CT, abdomen/pelvis · axial view · 512x512 px · 15 organs annotated in this scan (that count is for the whole scan; organs this slice misses have no box)
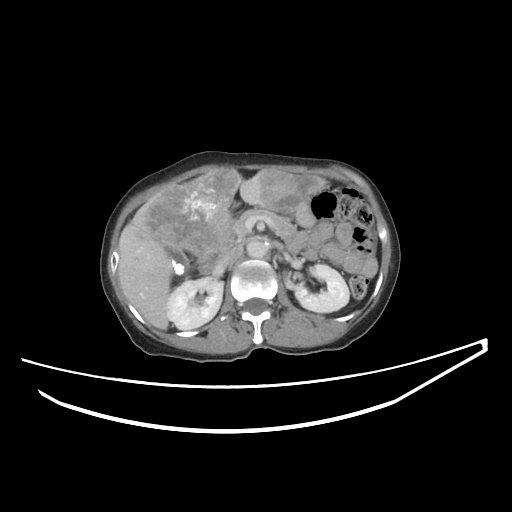 <organs><organ name="aorta" x1="247" y1="240" x2="267" y2="258"/><organ name="pancreas" x1="234" y1="208" x2="296" y2="239"/><organ name="stomach" x1="294" y1="202" x2="314" y2="227"/><organ name="right kidney" x1="167" y1="277" x2="223" y2="329"/><organ name="liver" x1="118" y1="168" x2="325" y2="329"/><organ name="duodenum" x1="197" y1="241" x2="233" y2="274"/><organ name="gall bladder" x1="166" y1="246" x2="189" y2="275"/><organ name="left kidney" x1="295" y1="264" x2="349" y2="312"/><organ name="inferior vena cava" x1="214" y1="248" x2="240" y2="274"/></organs>